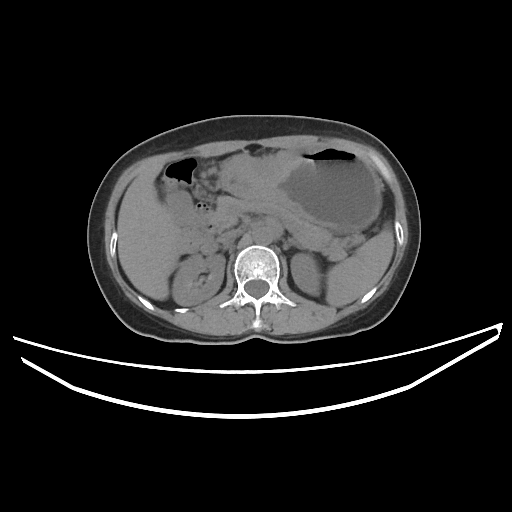

CT abdomen · axial plane, index 61 · 512x512 px · 50-year-old female patient
<organs><organ name="liver" x1="117" y1="160" x2="183" y2="300"/><organ name="stomach" x1="219" y1="144" x2="381" y2="233"/><organ name="duodenum" x1="193" y1="202" x2="220" y2="253"/><organ name="pancreas" x1="210" y1="196" x2="362" y2="259"/><organ name="right kidney" x1="172" y1="252" x2="225" y2="305"/><organ name="inferior vena cava" x1="219" y1="228" x2="241" y2="243"/><organ name="gall bladder" x1="166" y1="189" x2="193" y2="230"/><organ name="left kidney" x1="290" y1="254" x2="320" y2="295"/><organ name="spleen" x1="326" y1="223" x2="394" y2="306"/><organ name="aorta" x1="253" y1="226" x2="275" y2="244"/><organ name="left adrenal gland" x1="294" y1="243" x2="302" y2="249"/></organs>